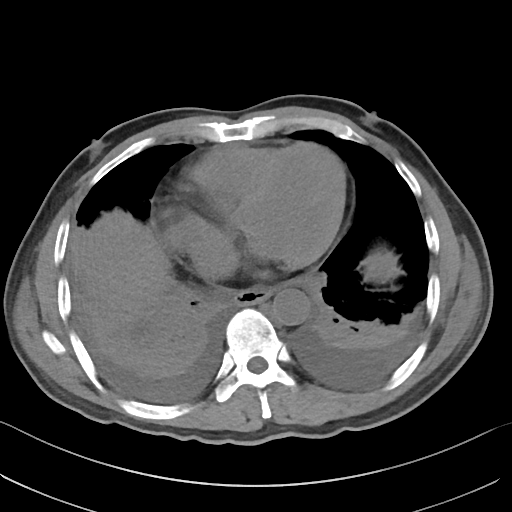 Lower-chest slice from an abdominal CT, just above the liver and spleen. axial view. SOMATOM Force scanner
No part of the heart or lungs is labeled in this dataset, so neither has a box here. Bounding boxes as [x1, y1, x2, y2] in pixel coordinates. 2 labeled organs on this slice — esophagus at [232, 288, 271, 304]; aorta at [272, 288, 310, 325].